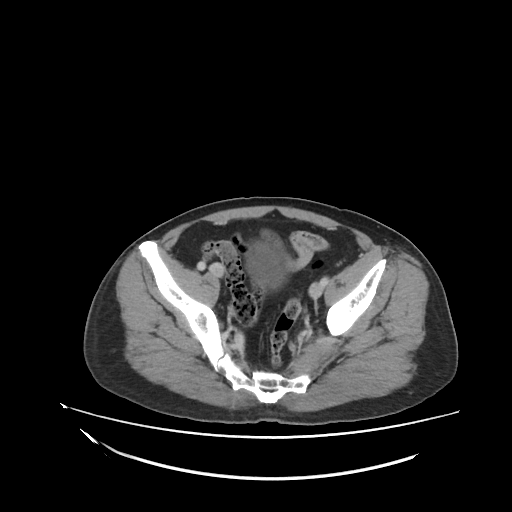
Computed tomography, abdomen · Axial slice 20/116 · 512x512 px
Bounding boxes in pixels, one row per box: x1, y1 is the top-left corner and x2, y2 the bottom-right.
| organ | x1 | y1 | x2 | y2 |
|---|---|---|---|---|
| bladder | 249 | 243 | 284 | 282 |